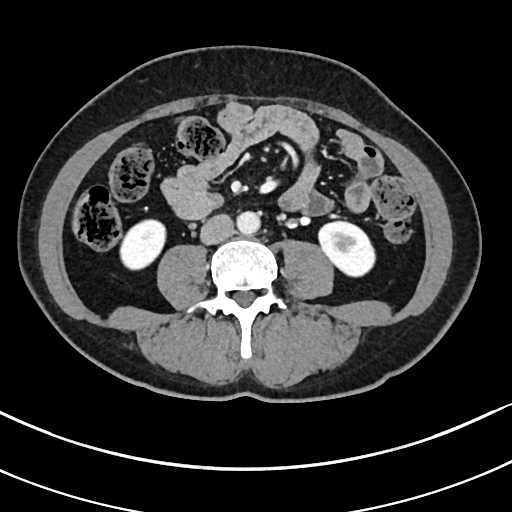

CT, abdomen/pelvis. axial plane, index 107. 512x512 px. SOMATOM Force scanner
Each box given as x1,y1,x2,y2. 4 labeled organs on this slice — right kidney at x1=121, y1=221, x2=165, y2=268; inferior vena cava at x1=200, y1=214, x2=233, y2=244; left kidney at x1=318, y1=221, x2=375, y2=275; aorta at x1=237, y1=210, x2=260, y2=233.